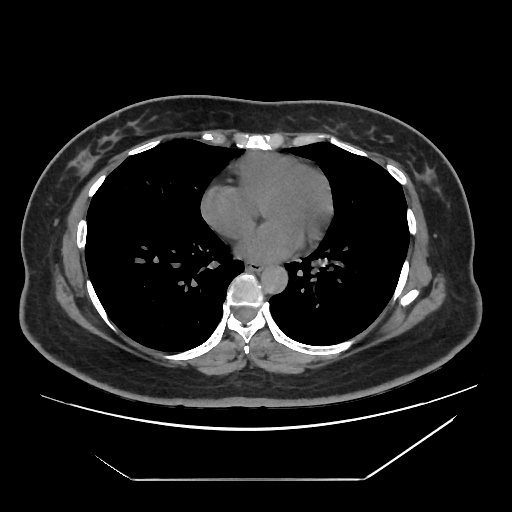 CT of the abdomen reaching into the lower chest, slice just above the liver and spleen · axial view · soft-tissue window, W/L 400/40
No part of the heart or lungs is labeled in this dataset, so neither has a box here. Box edges are left/top/right/bottom in pixels. 2 labeled organs on this slice — esophagus at left=247, top=260, right=262, bottom=270; aorta at left=261, top=265, right=288, bottom=293.